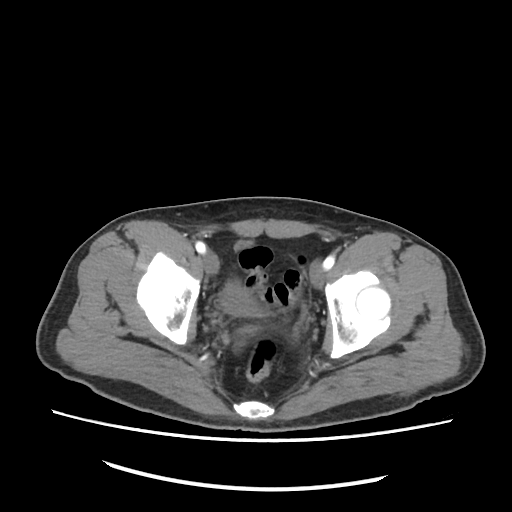

CT, abdomen/pelvis; axial view; Aquilion ONE scanner
Bounding boxes in pixels, one row per box: x1, y1 is the top-left corner and x2, y2 the bottom-right.
| organ | x1 | y1 | x2 | y2 |
|---|---|---|---|---|
| bladder | 222 | 282 | 266 | 318 |